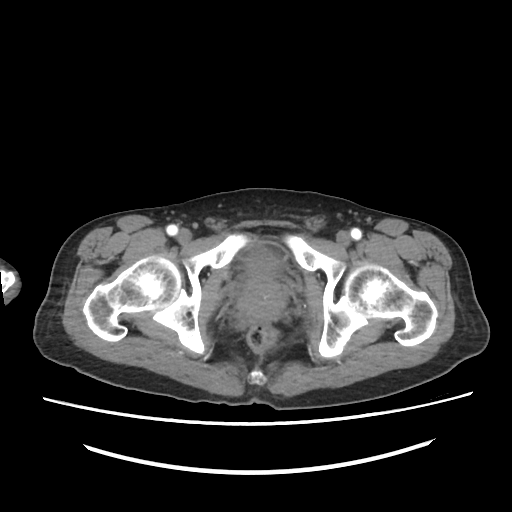

Computed tomography, abdomen; axial view; 512x512 px
<organs><organ name="bladder" x1="242" y1="247" x2="278" y2="282"/><organ name="prostate/uterus" x1="241" y1="279" x2="289" y2="320"/></organs>